Abdominal CT · axial view · soft-tissue window · 61-year-old female patient
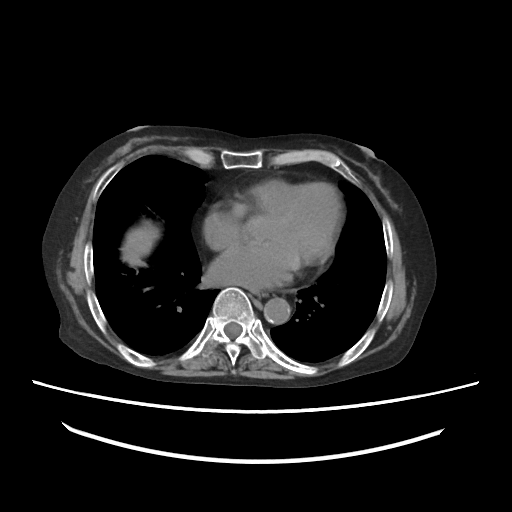
Bounding boxes as [x1, y1, x2, y2] in pixel coordinates.
aorta: [264, 298, 290, 324]
esophagus: [257, 292, 272, 297]
liver: [121, 221, 160, 266]